Computed tomography, abdomen; axial plane, index 186; W/L 400/40 HU
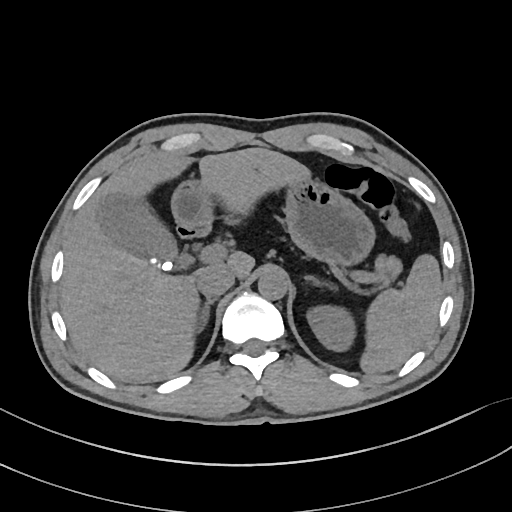 <organs><organ name="spleen" x1="360" y1="254" x2="442" y2="373"/><organ name="left kidney" x1="307" y1="305" x2="355" y2="351"/><organ name="gall bladder" x1="97" y1="193" x2="191" y2="272"/><organ name="liver" x1="60" y1="147" x2="310" y2="382"/><organ name="stomach" x1="173" y1="178" x2="375" y2="266"/><organ name="aorta" x1="258" y1="269" x2="288" y2="299"/><organ name="inferior vena cava" x1="196" y1="265" x2="234" y2="298"/><organ name="pancreas" x1="372" y1="255" x2="401" y2="285"/><organ name="right adrenal gland" x1="197" y1="299" x2="214" y2="331"/><organ name="left adrenal gland" x1="306" y1="276" x2="335" y2="288"/><organ name="duodenum" x1="177" y1="220" x2="210" y2="238"/></organs>